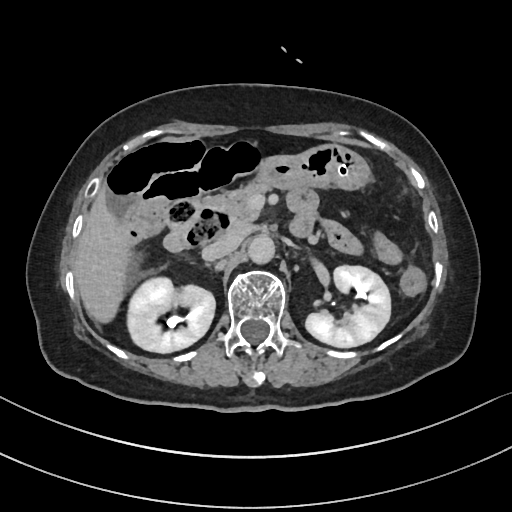
CT, abdomen/pelvis; axial view; scan has 15 labeled organs (a whole-scan count: organs this slice does not pass through have no box)
Box edges are left/top/right/bottom in pixels.
Organ bounding boxes:
- right kidney: left=127, top=277, right=214, bottom=352
- left kidney: left=305, top=265, right=390, bottom=346
- liver: left=73, top=187, right=130, bottom=321
- stomach: left=260, top=143, right=368, bottom=188
- aorta: left=248, top=234, right=274, bottom=262
- inferior vena cava: left=202, top=228, right=244, bottom=260
- pancreas: left=201, top=180, right=270, bottom=224
- duodenum: left=164, top=203, right=310, bottom=252